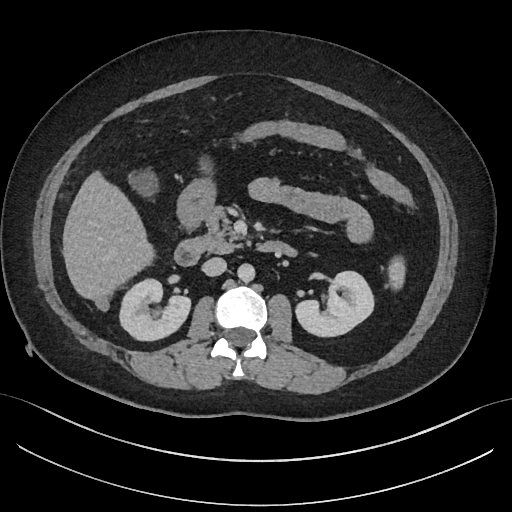
Computed tomography, abdomen · axial view · soft-tissue window (W 400 / L 40)
Bounding boxes in pixels, one row per box: x1, y1 is the top-left corner and x2, y2 the bottom-right.
| organ | x1 | y1 | x2 | y2 |
|---|---|---|---|---|
| spleen | 390 | 261 | 403 | 286 |
| right kidney | 118 | 278 | 189 | 339 |
| left kidney | 296 | 271 | 375 | 336 |
| gall bladder | 130 | 171 | 157 | 193 |
| liver | 62 | 174 | 153 | 300 |
| stomach | 176 | 180 | 214 | 227 |
| aorta | 237 | 263 | 254 | 281 |
| inferior vena cava | 202 | 257 | 226 | 276 |
| pancreas | 198 | 209 | 247 | 253 |
| duodenum | 174 | 239 | 295 | 265 |